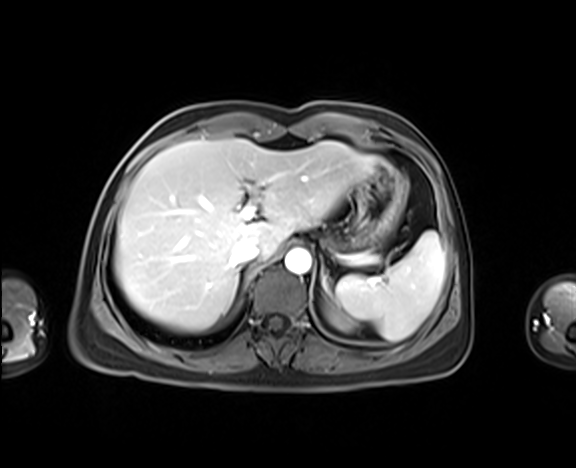 Abdominal MRI. Axial slice 51/72. 13 organs annotated in this scan (a whole-scan count: organs this slice does not pass through have no box)
Boxes: x1:y1:x2:y2 in pixels. Labeled organs on this slice: aorta at 285:249:311:274, left kidney at 330:309:351:329, inferior vena cava at 231:243:259:266, stomach at 354:163:408:246, spleen at 335:231:444:341, left adrenal gland at 321:257:331:294, liver at 114:139:383:331.